CT, abdomen/pelvis · axial view · abdomen soft-tissue window · 512x512 px · scan has 15 labeled organs (a whole-scan count: organs this slice does not pass through have no box)
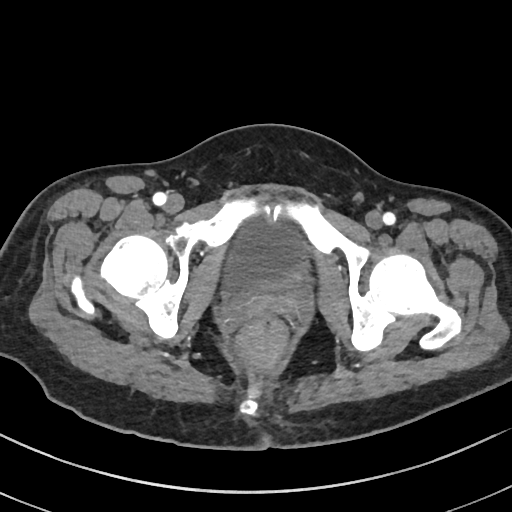
<organs><organ name="bladder" x1="222" y1="219" x2="307" y2="292"/></organs>